Computed tomography, abdomen — axial plane, index 57 — 512x512 px — Aquilion ONE scanner
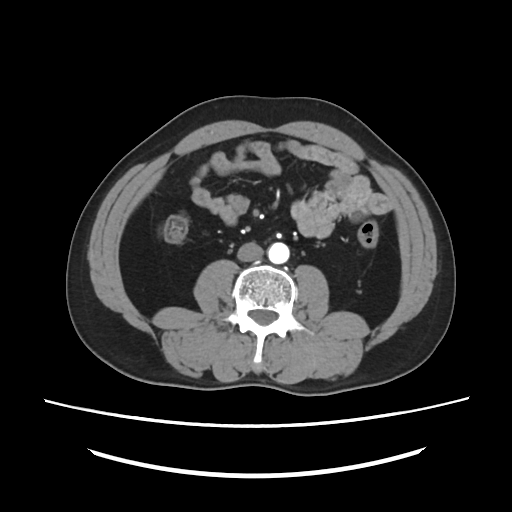 Boxes: x1 y1 x2 y2 (pixel coords, space-separated).
aorta: 268 242 289 264
inferior vena cava: 237 242 263 261